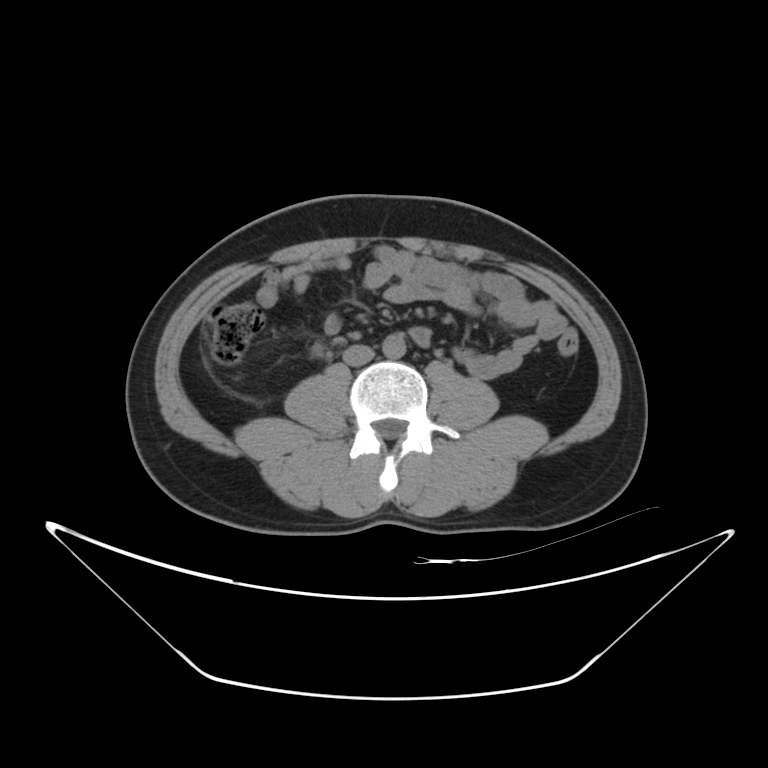
CT, abdomen/pelvis; axial view; 768x768 px; 25-year-old male patient
<organs><organ name="aorta" x1="382" y1="333" x2="406" y2="358"/><organ name="inferior vena cava" x1="342" y1="345" x2="375" y2="366"/></organs>